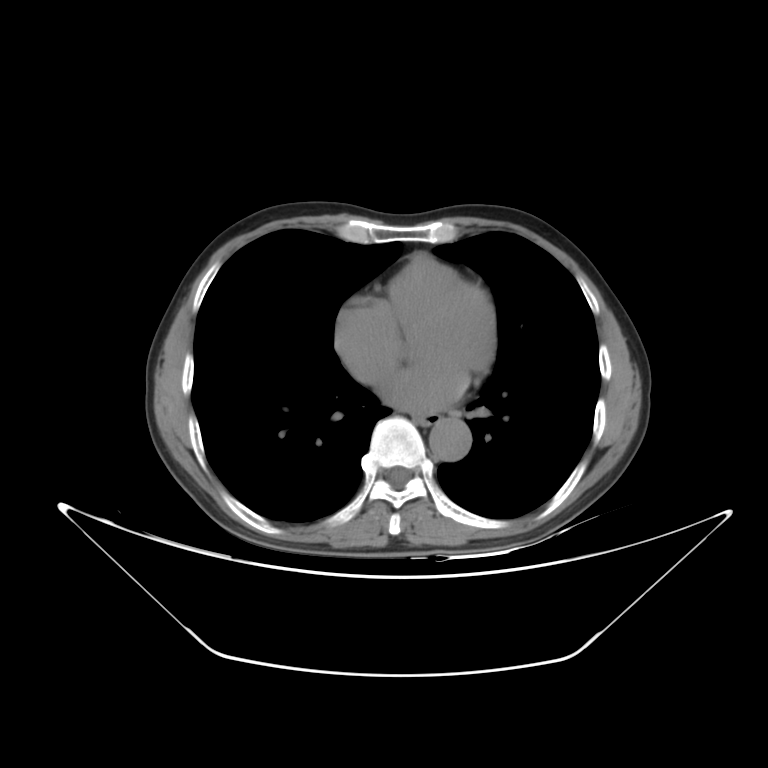
Lower-chest slice from an abdominal CT, just above the liver and spleen; axial view; 52-year-old male patient
The heart and lungs are never labeled in this dataset, so they have no box on this slice.
{"organs":{"aorta":[429,418,471,461],"esophagus":[419,414,438,424]}}